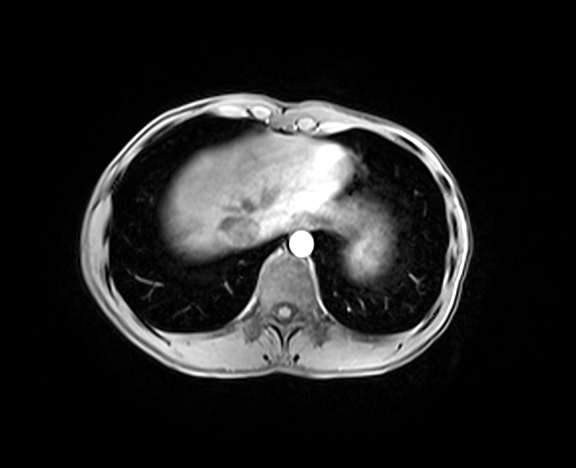 Magnetic resonance imaging, abdomen · axial plane, index 62 · percentile-normalized · acquired on Prisma
Coordinates as <box>x1,y1,x2,y2</box> in pixels. The annotated organs in this slice are: spleen at <box>350,241,377,269</box>, esophagus at <box>290,217,312,228</box>, liver at <box>163,133,343,257</box>, aorta at <box>290,232,313,256</box>, inferior vena cava at <box>233,217,263,245</box>.